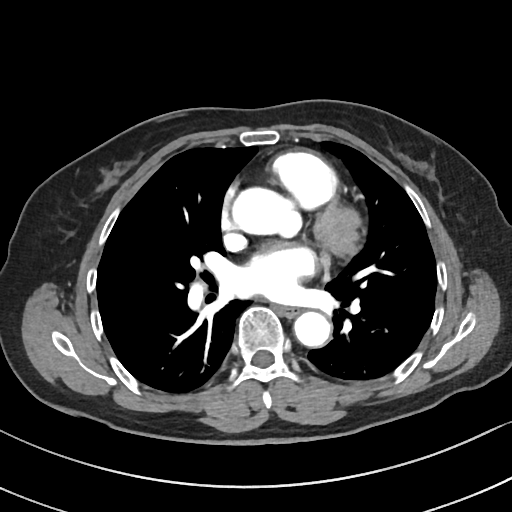 CT of the abdomen reaching into the lower chest, slice just above the liver and spleen — Axial slice 228/294 — soft-tissue window, W/L 400/40
The heart and lungs are never labeled in this dataset, so they have no box on this slice.
<organs><organ name="esophagus" x1="277" y1="306" x2="298" y2="316"/><organ name="aorta" x1="232" y1="187" x2="303" y2="236"/><organ name="aorta" x1="294" y1="312" x2="330" y2="347"/></organs>